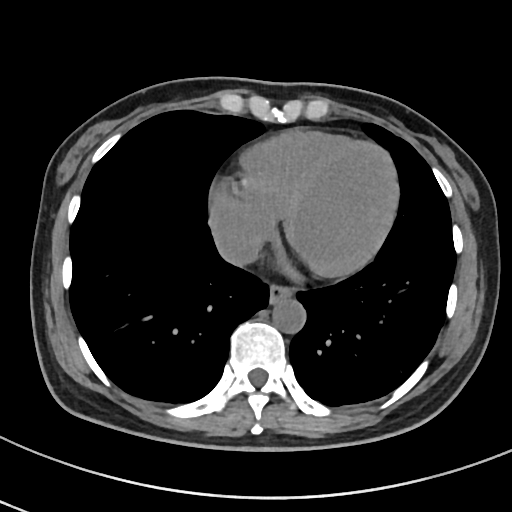
Abdominal CT; this slice is in the lower chest, just above the liver · Axial slice 215/218 · SOMATOM Force scanner
No part of the heart or lungs is labeled in this dataset, so neither has a box here.
Box edges are left/top/right/bottom in pixels.
esophagus: left=269, top=284, right=293, bottom=303
inferior vena cava: left=215, top=231, right=260, bottom=265
aorta: left=272, top=298, right=305, bottom=333